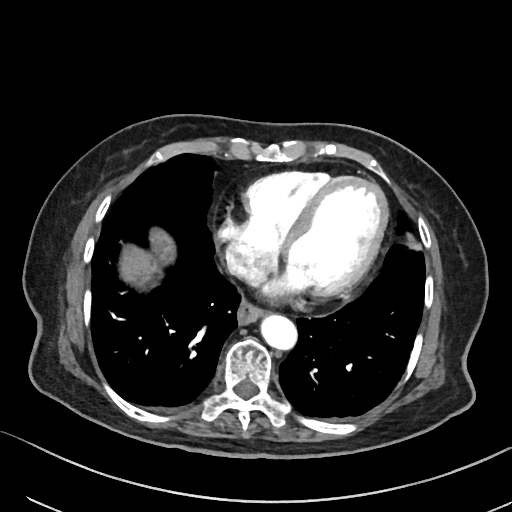 Computed tomography, abdomen; axial plane, index 213
Boxes: x1 y1 x2 y2 (pixel coords, space-separated).
esophagus: 237 301 264 324
liver: 119 229 174 286
aorta: 261 314 296 349
inferior vena cava: 225 244 260 279